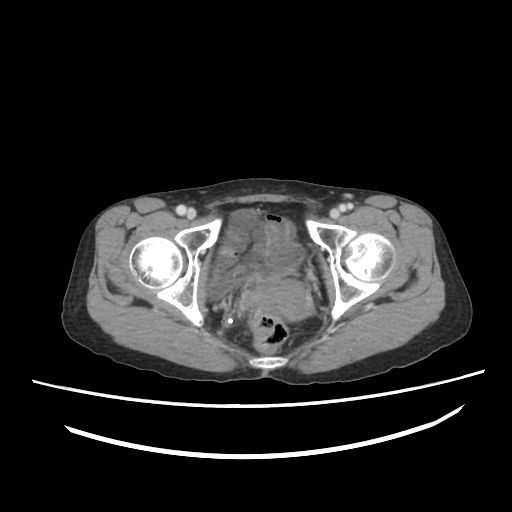 Computed tomography, abdomen. Axial slice 13/78. abdomen soft-tissue window. 512x512 px. scan has 15 labeled organs (that count is for the whole scan; organs this slice misses have no box)
Boxes are (x1, y1, x2, y2) in pixels.
Organ bounding boxes:
- prostate/uterus: (255, 280, 313, 320)